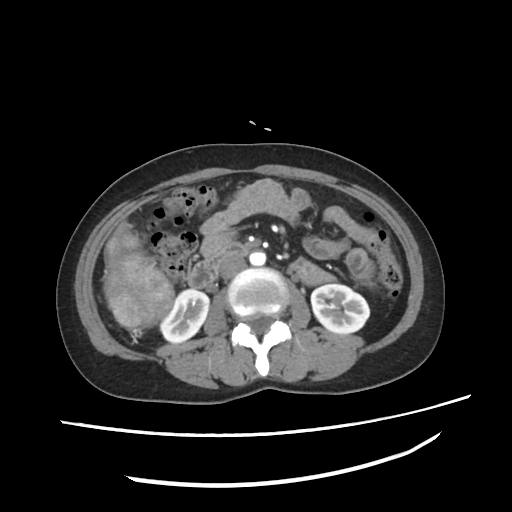
CT, abdomen/pelvis. Axial slice 48/78. abdomen soft-tissue window. 15 organs annotated in this scan (that count is for the whole scan; organs this slice misses have no box)
Coordinates as <box>x1,y1,x2,y2</box> in pixels.
Organ bounding boxes:
- right kidney: <box>161,288,208,343</box>
- left kidney: <box>312,284,369,334</box>
- aorta: <box>249,252,266,266</box>
- inferior vena cava: <box>219,256,246,279</box>
- duodenum: <box>187,243,247,287</box>